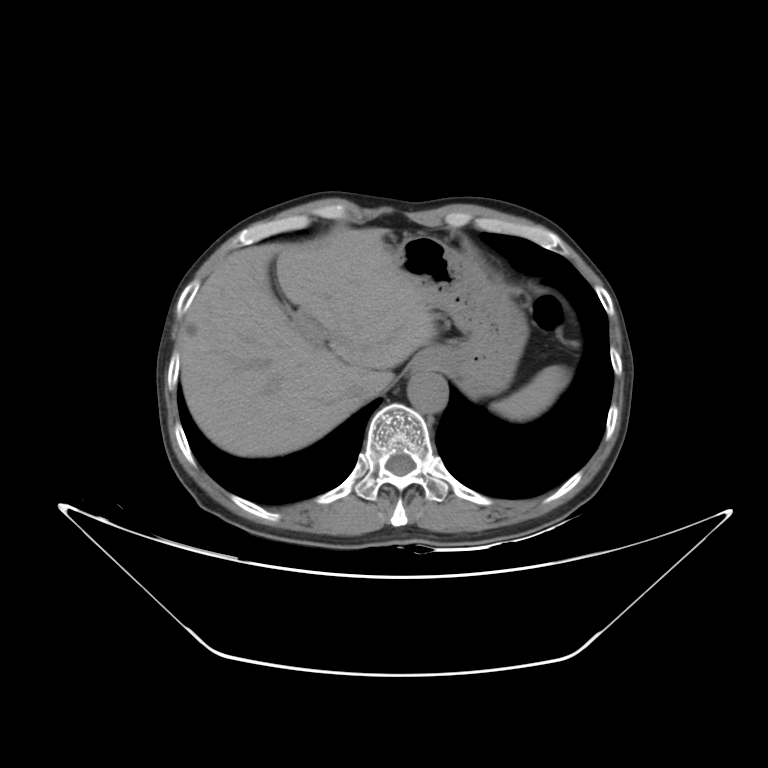
CT, abdomen/pelvis · axial view · 52-year-old male patient
Boxes: x1 y1 x2 y2 (pixel coords, space-separated).
Organ bounding boxes:
- spleen: 491 365 570 420
- esophagus: 412 352 431 373
- liver: 181 228 437 456
- stomach: 390 234 528 397
- aorta: 407 370 447 413
- inferior vena cava: 346 385 368 401